Abdominal CT — axial view — W/L 400/40 HU — 512x512 px — 45-year-old male patient
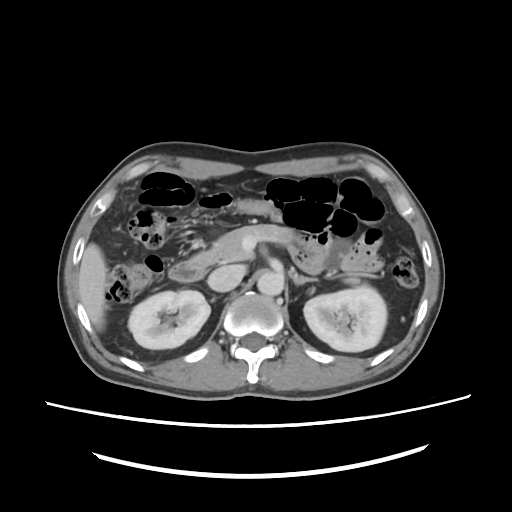
{"organs":{"right kidney":[128,290,210,349],"left kidney":[303,288,387,351],"liver":[78,244,106,329],"aorta":[257,270,283,294],"inferior vena cava":[207,267,242,293],"pancreas":[209,224,360,287],"left adrenal gland":[290,269,314,285],"duodenum":[169,252,214,281]}}